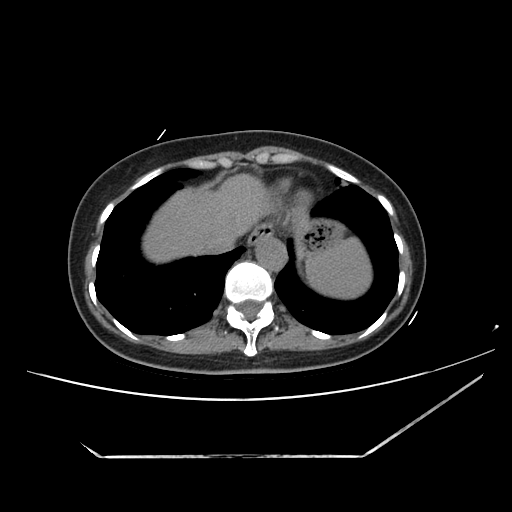 CT abdomen. Axial slice 130/143
<organs><organ name="esophagus" x1="247" y1="228" x2="269" y2="247"/><organ name="inferior vena cava" x1="206" y1="230" x2="240" y2="253"/><organ name="stomach" x1="298" y1="221" x2="342" y2="254"/><organ name="spleen" x1="305" y1="238" x2="370" y2="296"/><organ name="aorta" x1="256" y1="237" x2="287" y2="272"/><organ name="liver" x1="144" y1="176" x2="273" y2="261"/></organs>